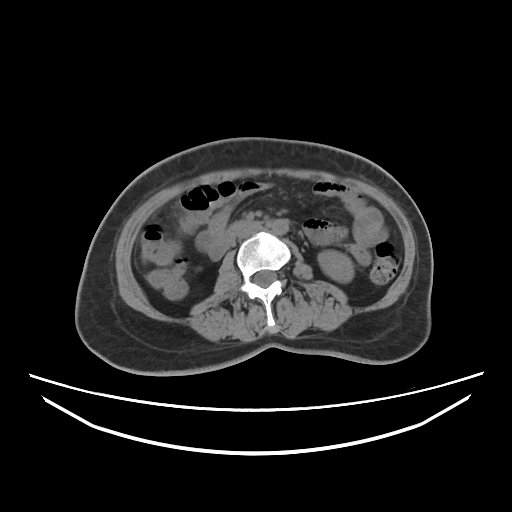
Abdominal CT; Axial slice 56/97; 49-year-old female patient
Bounding boxes as [x1, y1, x2, y2] in pixel coordinates.
left kidney: [318, 250, 353, 282]
aorta: [271, 219, 288, 234]
inferior vena cava: [236, 223, 262, 238]
duodenum: [226, 220, 260, 235]